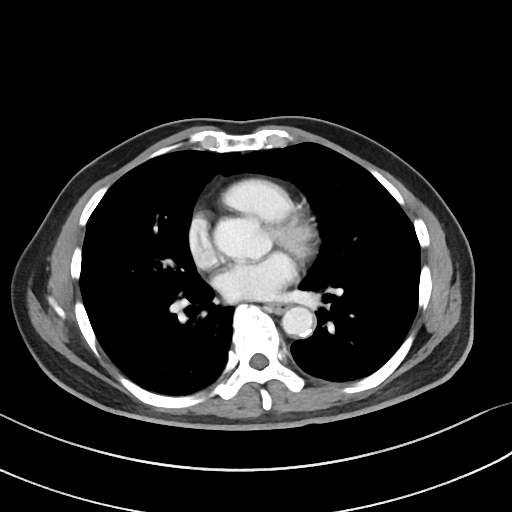
CT of the abdomen reaching into the lower chest, slice just above the liver and spleen · Axial slice 93/128 · 512x512 px · SOMATOM Force scanner
The heart and lungs are never labeled in this dataset, so they have no box on this slice.
Organ boxes in pixel coordinates; each row gives the top-left (x1, y1) and bottom-right (x2, y2) corners.
| organ | x1 | y1 | x2 | y2 |
|---|---|---|---|---|
| esophagus | 269 | 303 | 286 | 313 |
| aorta | 282 | 306 | 313 | 336 |